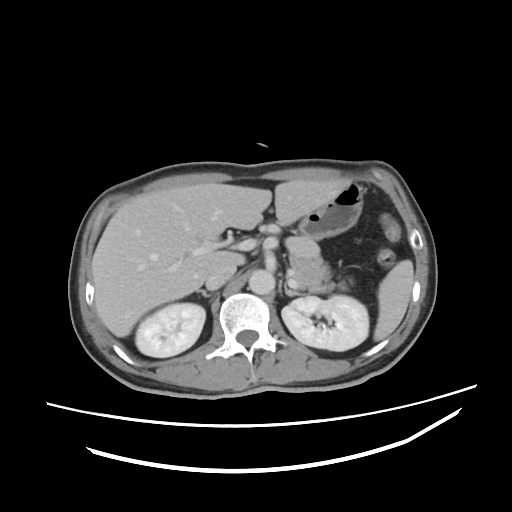

Computed tomography, abdomen; Axial slice 71/131; 512x512 px
Coordinates as <box>x1,y1,x2,y2</box> in pixels.
spleen: <box>373,260,413,341</box>
right kidney: <box>135,303,205,357</box>
left kidney: <box>281,295,368,350</box>
liver: <box>91,179,347,337</box>
stomach: <box>299,183,362,240</box>
aorta: <box>248,269,275,294</box>
inferior vena cava: <box>206,263,236,289</box>
pancreas: <box>289,240,350,292</box>
right adrenal gland: <box>197,289,210,296</box>
left adrenal gland: <box>284,285,301,296</box>